Computed tomography, abdomen · axial view · soft-tissue window (W 400 / L 40) · 768x768 px · 78-year-old female patient · 15 organs annotated in this scan (that count is for the whole scan; organs this slice misses have no box)
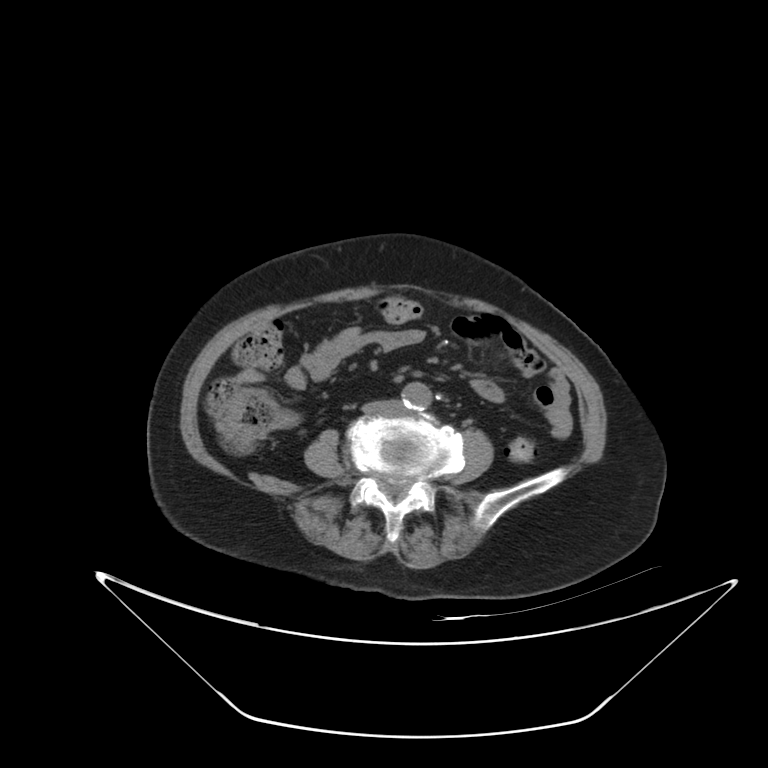 Organ boxes in pixel coordinates; each row gives the top-left (x1, y1) and bottom-right (x2, y2) corners.
| organ | x1 | y1 | x2 | y2 |
|---|---|---|---|---|
| aorta | 402 | 382 | 431 | 409 |
| inferior vena cava | 394 | 402 | 396 | 405 |